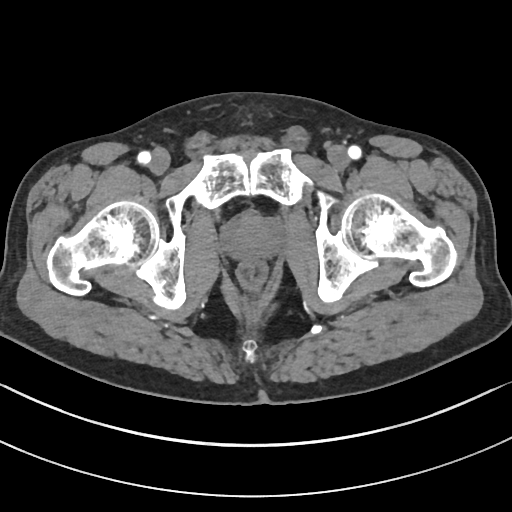 Computed tomography, abdomen; Axial slice 17/280; abdomen soft-tissue window
Bounding boxes in pixels, one row per box: x1, y1 is the top-left corner and x2, y2 the bottom-right.
| organ | x1 | y1 | x2 | y2 |
|---|---|---|---|---|
| prostate/uterus | 224 | 214 | 281 | 259 |